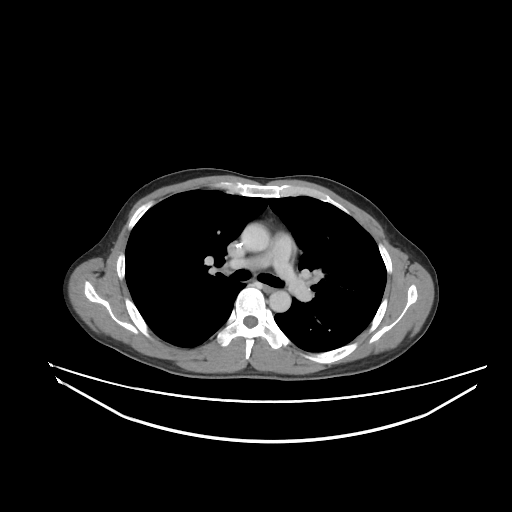

Abdominal CT reaching into the chest; this slice is in the chest — axial view — 512x512 px
On a slice this high in the chest, this dataset labels only the esophagus and the aorta, and each is boxed only where it is labeled; the heart, lungs and other chest structures are not labeled.
Bounding boxes in pixels, one row per box: x1, y1 is the top-left corner and x2, y2 the bottom-right.
| organ | x1 | y1 | x2 | y2 |
|---|---|---|---|---|
| aorta | 241 | 223 | 270 | 252 |
| aorta | 269 | 290 | 291 | 312 |
| esophagus | 264 | 286 | 273 | 291 |